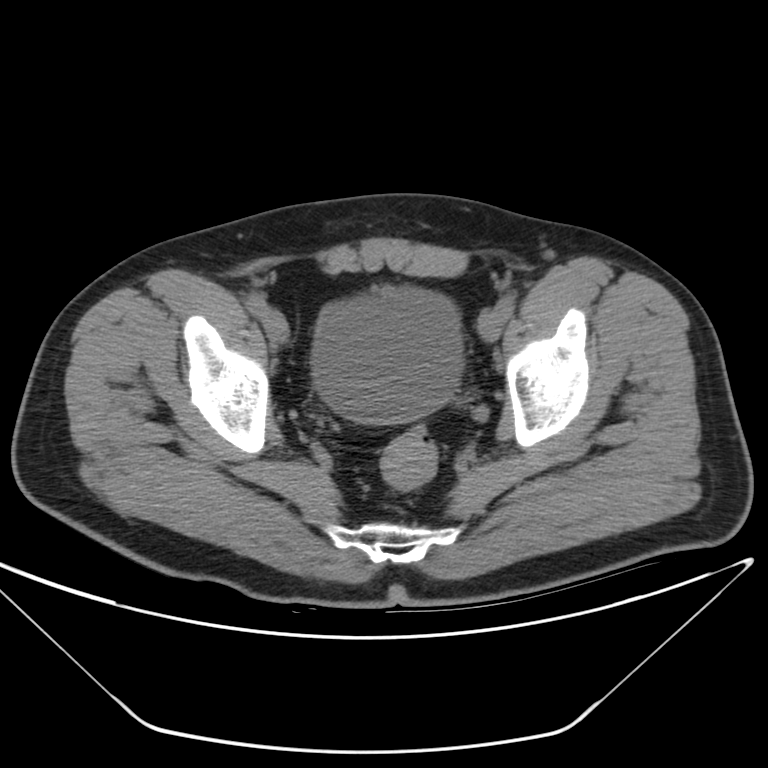
CT abdomen. axial view. 768x768 px
Organ boxes in pixel coordinates; each row gives the top-left (x1, y1) and bottom-right (x2, y2) corners.
| organ | x1 | y1 | x2 | y2 |
|---|---|---|---|---|
| bladder | 310 | 287 | 461 | 423 |